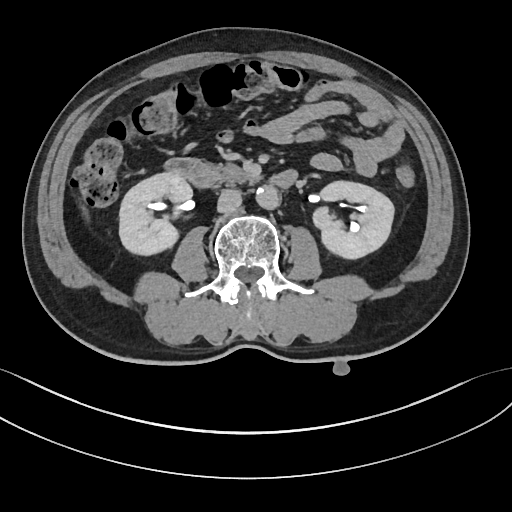 CT, abdomen/pelvis. Axial slice 135/224
Boxes: x1:y1:x2:y2 in pixels. 6 labeled organs on this slice — inferior vena cava at 217:189:241:213; pancreas at 212:163:261:185; aorta at 257:186:281:210; left kidney at 312:181:393:260; duodenum at 162:158:298:188; right kidney at 119:173:191:257.